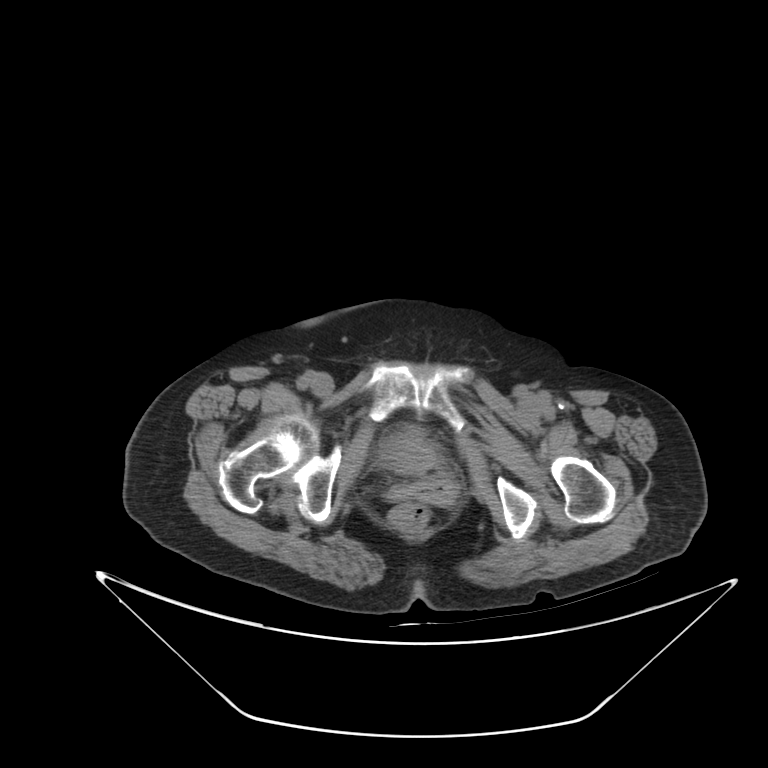

CT abdomen — axial plane, index 10 — soft-tissue window (W 400 / L 40) — 15 organs annotated in this scan (that count is for the whole scan; organs this slice misses have no box)
Boxes are (x1, y1, x2, y2) in pixels.
Organ bounding boxes:
- bladder: (379, 428, 440, 472)